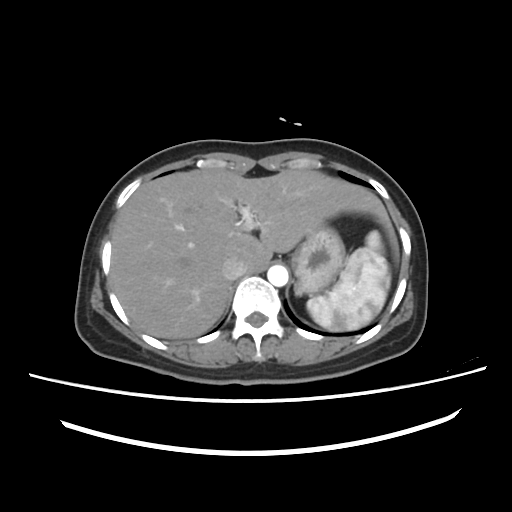 Abdominal CT. Axial slice 80/123. 45-year-old female patient. acquired on Aquilion ONE
{"organs":{"spleen":[307,231,390,331],"liver":[111,168,397,338],"stomach":[292,223,344,295],"aorta":[267,265,288,286],"inferior vena cava":[222,257,245,279]}}